Abdominal CT. axial plane, index 64. 512x512 px. acquired on Aquilion ONE
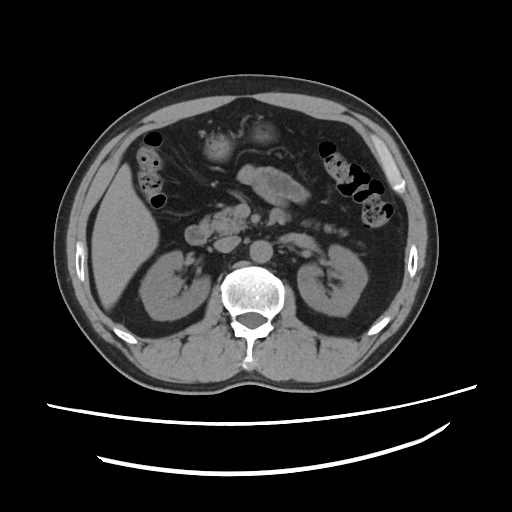
Bounding boxes as [x1, y1, x2, y2] in pixel coordinates.
Organ bounding boxes:
- right kidney: [141, 250, 210, 320]
- left kidney: [296, 244, 367, 314]
- liver: [92, 163, 158, 308]
- stomach: [205, 124, 278, 159]
- aorta: [249, 240, 273, 262]
- inferior vena cava: [214, 236, 240, 253]
- pancreas: [201, 207, 348, 235]
- duodenum: [184, 227, 206, 244]